CT, abdomen/pelvis. axial view
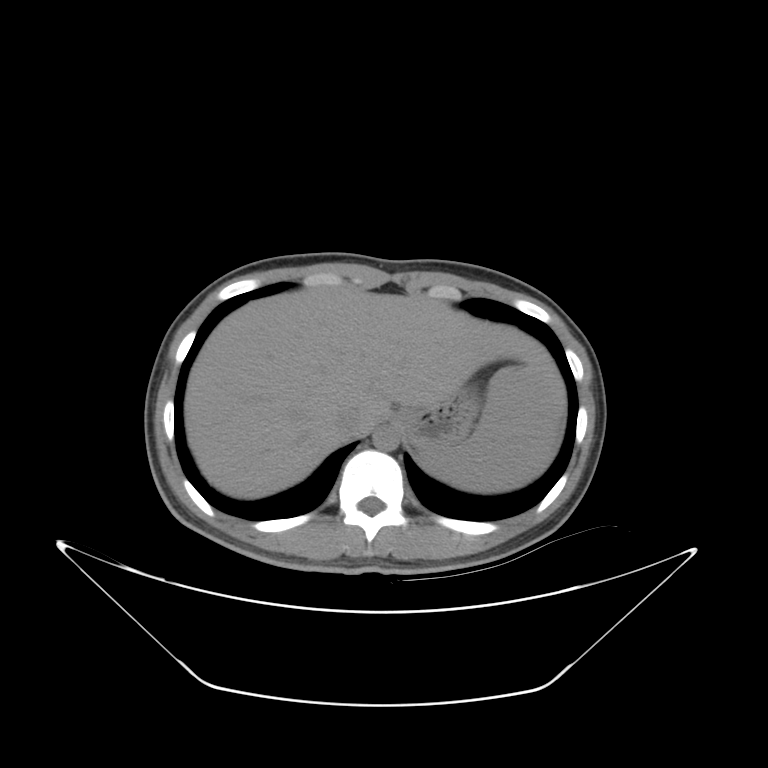

Box edges are left/top/right/bottom in pixels. 5 labeled organs on this slice — liver at left=184, top=286, right=566, bottom=498; aorta at left=372, top=428, right=399, bottom=451; stomach at left=386, top=386, right=479, bottom=446; inferior vena cava at left=332, top=408, right=360, bottom=438; spleen at left=414, top=366, right=562, bottom=492.